Computed tomography, abdomen. axial view
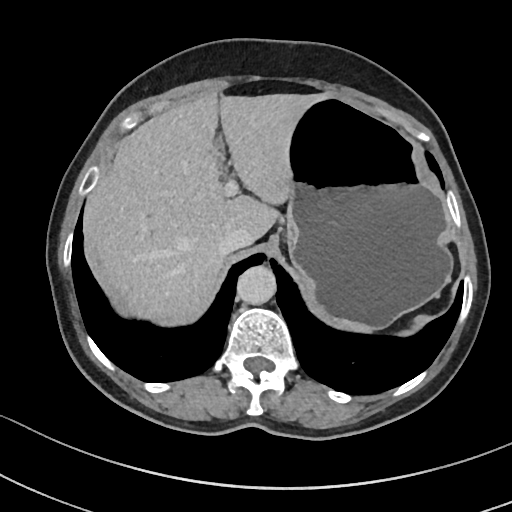

Each box given as x1,y1,x2,y2.
spleen: x1=327, y1=318, x2=371, y2=332
liver: x1=83, y1=93, x2=325, y2=325
stomach: x1=286, y1=97, x2=451, y2=327
aorta: x1=236, y1=265, x2=276, y2=304
inferior vena cava: x1=218, y1=230, x2=253, y2=255